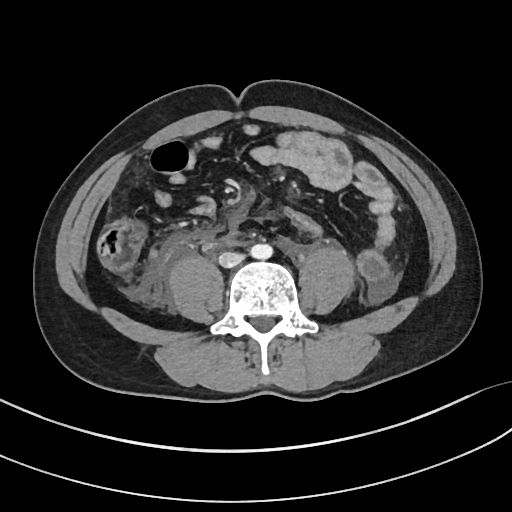
CT abdomen — Axial slice 98/251 — scan has 15 labeled organs (a whole-scan count: organs this slice does not pass through have no box)
Organ boxes in pixel coordinates; each row gives the top-left (x1, y1) and bottom-right (x2, y2) corners.
| organ | x1 | y1 | x2 | y2 |
|---|---|---|---|---|
| aorta | 249 | 244 | 273 | 259 |
| inferior vena cava | 219 | 251 | 243 | 267 |